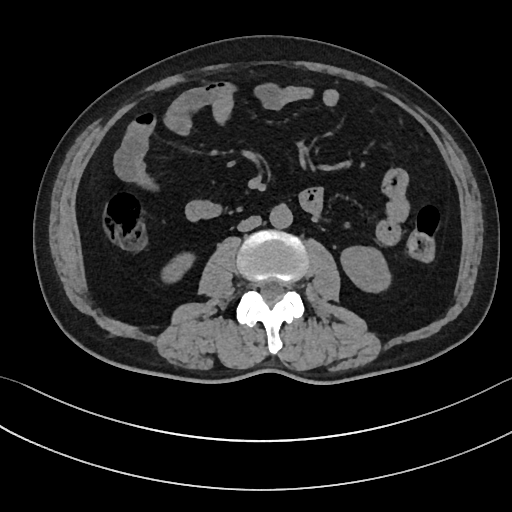
CT, abdomen/pelvis. axial view. soft-tissue window. SOMATOM Force scanner. scan has 15 labeled organs (that count is for the whole scan; organs this slice misses have no box)
<organs><organ name="right kidney" x1="161" y1="252" x2="194" y2="283"/><organ name="left kidney" x1="341" y1="246" x2="390" y2="292"/><organ name="aorta" x1="269" y1="204" x2="292" y2="228"/><organ name="inferior vena cava" x1="237" y1="216" x2="261" y2="231"/></organs>